Computed tomography, abdomen · axial view · abdomen soft-tissue window · 50-year-old male patient · 14 organs annotated in this scan (counted over the whole 3D scan, not this slice; an organ is boxed only where this slice passes through it)
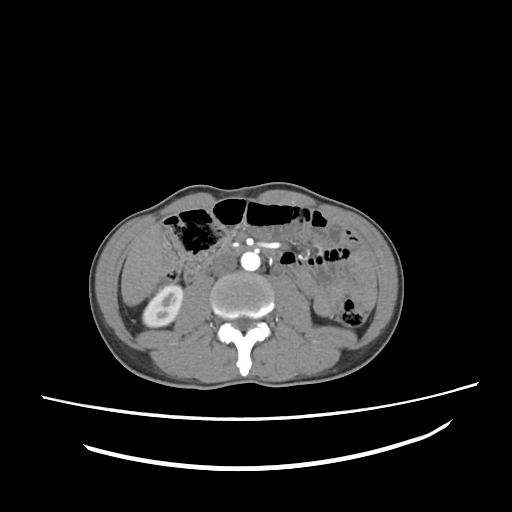
Organ boxes in pixel coordinates; each row gives the top-left (x1, y1) and bottom-right (x2, y2) corners.
| organ | x1 | y1 | x2 | y2 |
|---|---|---|---|---|
| right kidney | 142 | 284 | 182 | 327 |
| liver | 121 | 226 | 164 | 306 |
| aorta | 241 | 252 | 260 | 270 |
| inferior vena cava | 210 | 254 | 237 | 275 |
| duodenum | 184 | 246 | 282 | 281 |